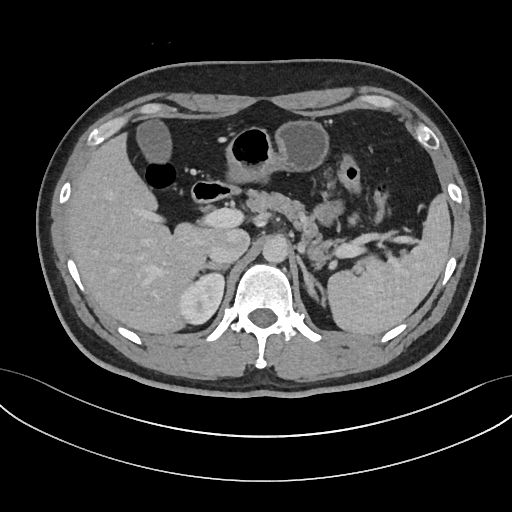 CT, abdomen/pelvis — axial view — 15 organs annotated in this scan (that count is for the whole scan; organs this slice misses have no box)
Boxes: x1 y1 x2 y2 (pixel coords, space-separated).
spleen: 327 194 450 335
liver: 66 133 230 334
stomach: 226 120 328 182
duodenum: 191 181 234 202
right adrenal gland: 200 262 228 270
left adrenal gland: 297 256 325 307
aorta: 262 236 288 263
right kidney: 179 273 224 324
inferior vena cava: 209 228 249 264
gall bladder: 136 120 171 163
pancreas: 246 189 344 265